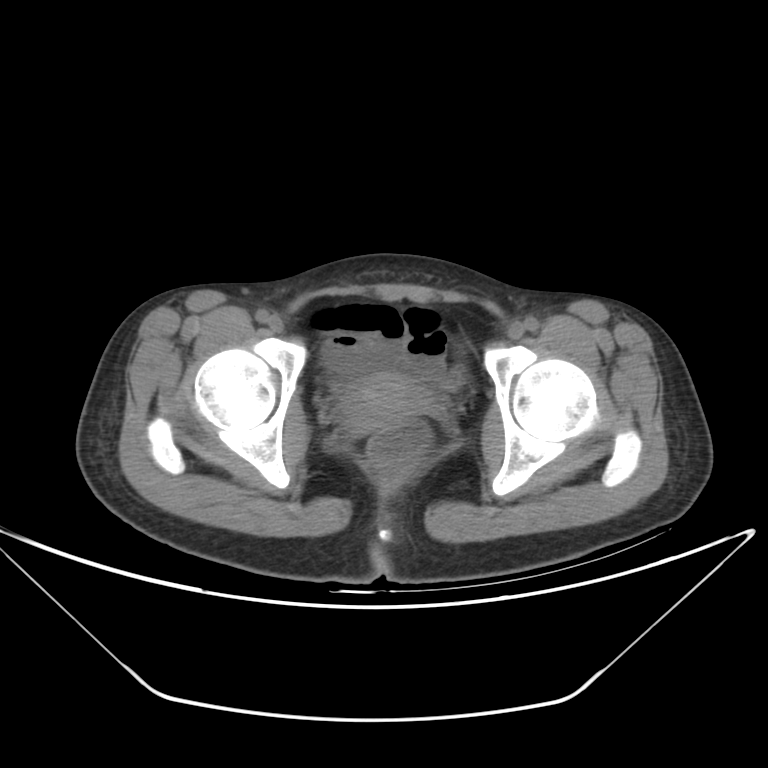
Abdominal CT; axial view; abdomen soft-tissue window; 768x768 px; 32-year-old female patient
Bounding boxes as [x1, y1, x2, y2] in pixel coordinates.
bladder: [328, 370, 460, 392]
prostate/uterus: [340, 372, 430, 433]